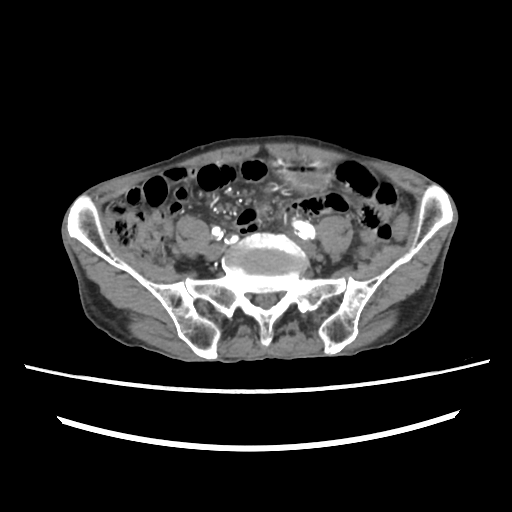
CT abdomen · axial view · 512x512 px · 81-year-old male patient
Boxes: x1:y1:x2:y2 in pixels.
stomach: 282:164:327:191